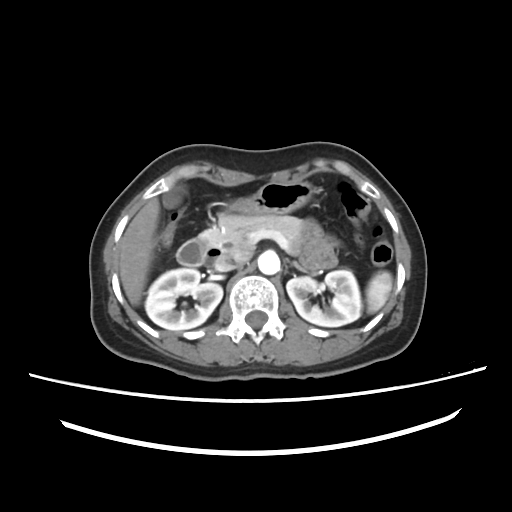
Abdominal CT; axial view; 512x512 px; acquired on Aquilion ONE
<organs><organ name="aorta" x1="258" y1="251" x2="280" y2="274"/><organ name="duodenum" x1="176" y1="235" x2="221" y2="265"/><organ name="left kidney" x1="286" y1="270" x2="361" y2="326"/><organ name="left adrenal gland" x1="291" y1="261" x2="304" y2="270"/><organ name="liver" x1="119" y1="198" x2="159" y2="305"/><organ name="right kidney" x1="145" y1="267" x2="222" y2="330"/><organ name="stomach" x1="231" y1="180" x2="317" y2="214"/><organ name="inferior vena cava" x1="215" y1="251" x2="250" y2="271"/><organ name="pancreas" x1="202" y1="214" x2="303" y2="251"/><organ name="spleen" x1="366" y1="271" x2="392" y2="313"/><organ name="gall bladder" x1="163" y1="184" x2="187" y2="208"/></organs>